CT, abdomen/pelvis. axial view. W/L 400/40 HU. acquired on SOMATOM Force
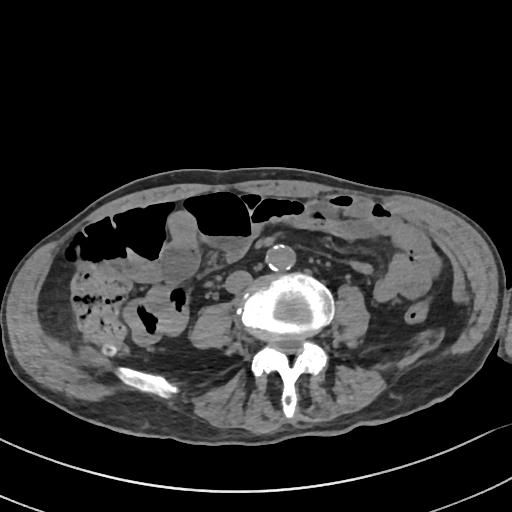 {"organs":{"inferior vena cava":[225,271,252,293],"aorta":[266,244,295,270]}}